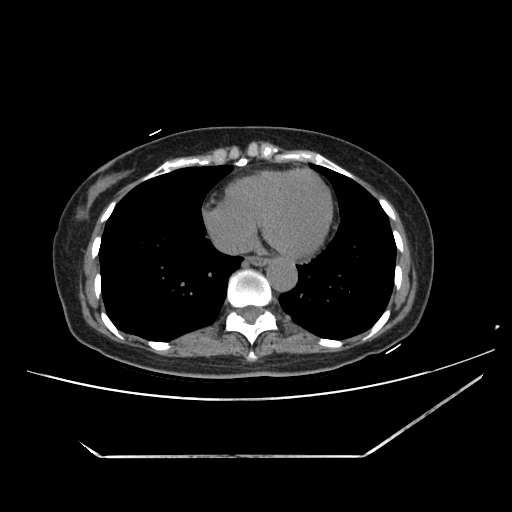 Abdominal CT; this slice is in the lower chest, just above the liver · Axial slice 141/143 · soft-tissue window · SOMATOM Force scanner
Of the structures in the chest, this dataset labels only the esophagus, the aorta and the inferior vena cava; the heart and lungs have no label.
Boxes: x1 y1 x2 y2 (pixel coords, space-separated).
inferior vena cava: 211 228 251 254
esophagus: 247 254 269 265
aorta: 266 257 297 291